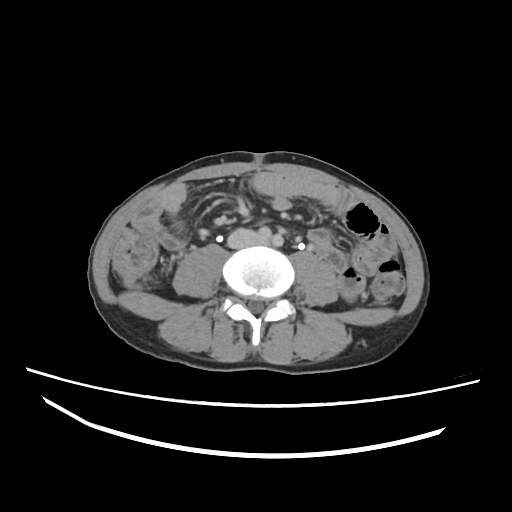 Abdominal CT — axial view — 40-year-old male patient
<organs><organ name="inferior vena cava" x1="228" y1="229" x2="259" y2="247"/></organs>